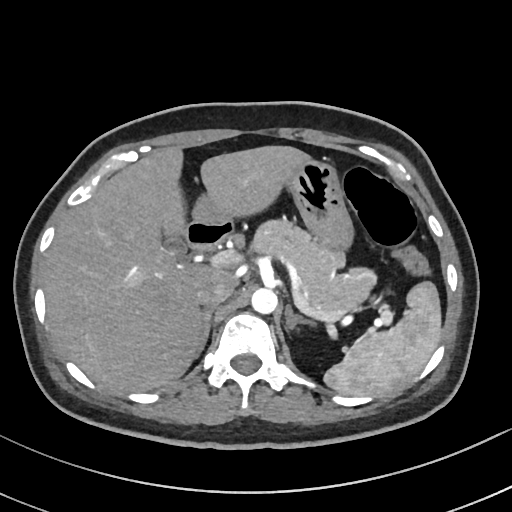 CT abdomen — axial view — 512x512 px — scan has 15 labeled organs (counted over the whole 3D scan, not this slice; an organ is boxed only where this slice passes through it)
Boxes: x1:y1:x2:y2 in pixels.
spleen: 323:281:440:396
liver: 43:146:313:393
stomach: 192:161:354:251
aorta: 251:288:277:315
inferior vena cava: 196:281:231:307
pancreas: 255:221:376:312
right adrenal gland: 199:309:213:352
left adrenal gland: 285:305:312:334
duodenum: 184:219:234:250